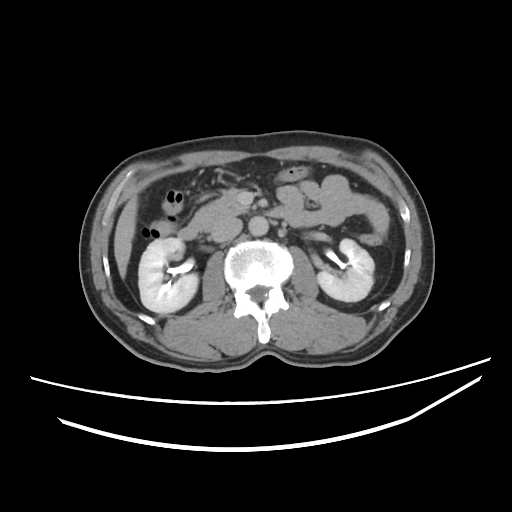 CT, abdomen/pelvis. axial view. abdomen soft-tissue window. 512x512 px
{"organs":{"aorta":[248,216,268,236],"right kidney":[138,238,197,315],"pancreas":[198,188,249,221],"duodenum":[177,206,314,239],"inferior vena cava":[211,216,242,242],"liver":[113,197,139,279],"left kidney":[317,238,374,300]}}